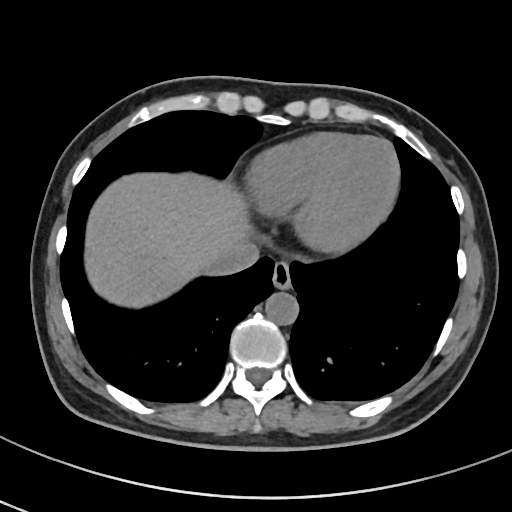 Computed tomography, abdomen. axial view. abdomen soft-tissue window. scan has 15 labeled organs (that count is for the whole scan; organs this slice misses have no box)
Boxes: x1 y1 x2 y2 (pixel coords, space-separated). The annotated organs in this slice are: inferior vena cava at 208 240 258 275, aorta at 265 292 298 325, liver at 85 173 250 307, esophagus at 271 260 291 289.